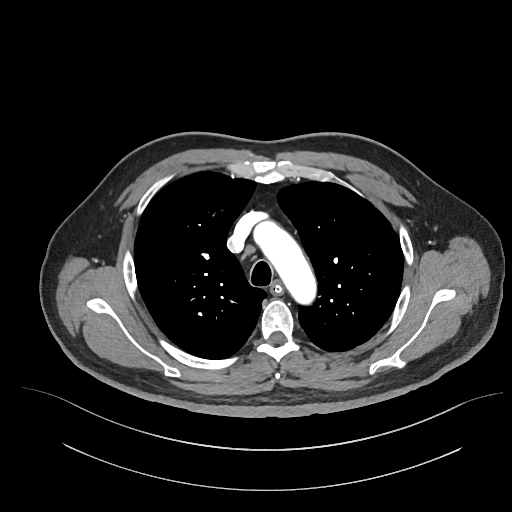 CT of the abdomen extending into the chest, slice through the chest; axial plane, index 289
At this level of the chest no structure but the esophagus and the aorta has a label in this dataset, and those two are boxed only where they are labeled. Boxes: x1 y1 x2 y2 (pixel coords, space-separated). Labeled organs on this slice: esophagus at 271 283 281 292, aorta at 253 221 316 304.